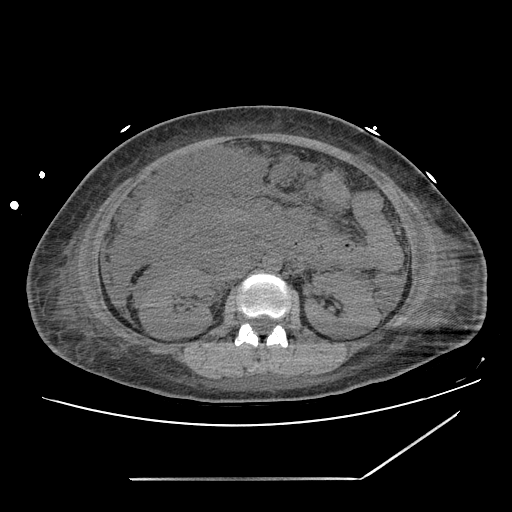

Computed tomography, abdomen — axial view — W/L 400/40 HU — 15 organs annotated in this scan (counted over the whole 3D scan, not this slice; an organ is boxed only where this slice passes through it)
Organ boxes in pixel coordinates; each row gives the top-left (x1, y1) and bottom-right (x2, y2) corners.
| organ | x1 | y1 | x2 | y2 |
|---|---|---|---|---|
| right kidney | 138 | 268 | 212 | 338 |
| left kidney | 304 | 273 | 380 | 336 |
| liver | 100 | 244 | 118 | 302 |
| aorta | 264 | 254 | 281 | 270 |
| inferior vena cava | 222 | 255 | 251 | 279 |